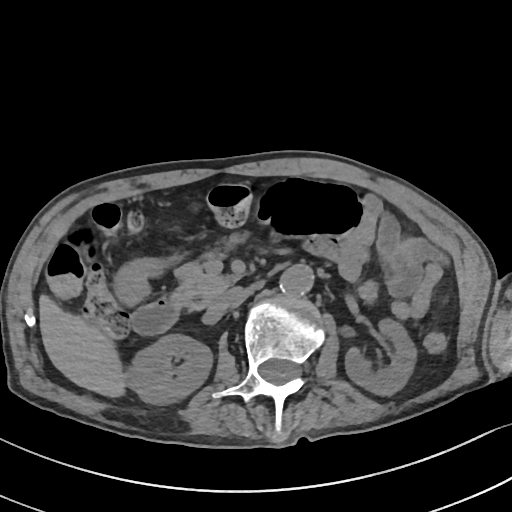

Computed tomography, abdomen; axial view; soft-tissue window
Bounding boxes in pixels, one row per box: x1, y1 is the top-left corner and x2, y2 the bottom-right.
| organ | x1 | y1 | x2 | y2 |
|---|---|---|---|---|
| right kidney | 126 | 334 | 212 | 404 |
| left kidney | 345 | 318 | 416 | 395 |
| liver | 39 | 295 | 126 | 397 |
| stomach | 117 | 258 | 163 | 301 |
| aorta | 279 | 265 | 313 | 296 |
| inferior vena cava | 208 | 287 | 242 | 316 |
| pancreas | 171 | 233 | 245 | 310 |
| duodenum | 131 | 297 | 179 | 334 |